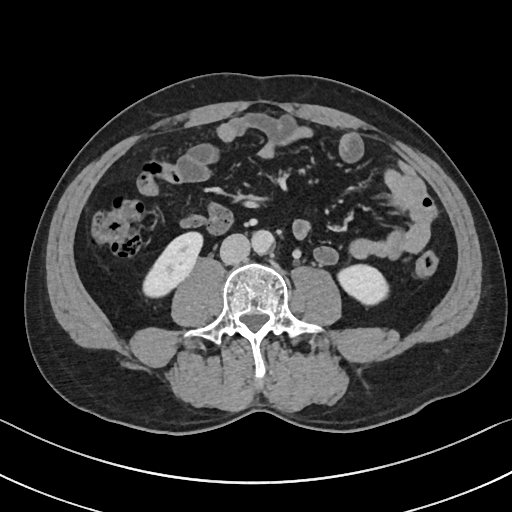 CT abdomen — axial view — soft-tissue window — SOMATOM Force scanner
{"organs":{"right kidney":[143,233,200,297],"left kidney":[337,264,389,304],"aorta":[251,230,274,254],"inferior vena cava":[220,234,250,264]}}